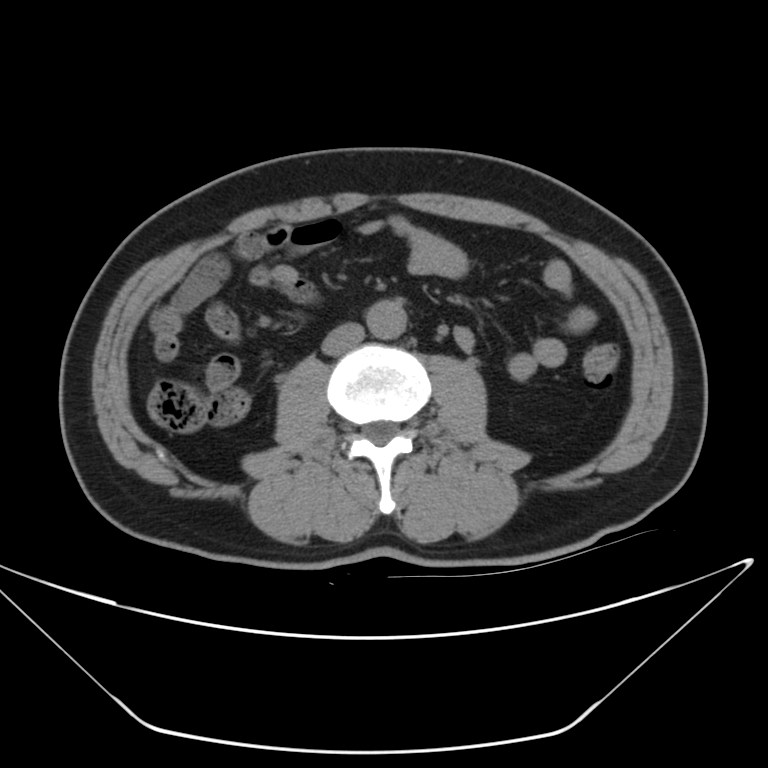

CT, abdomen/pelvis — Axial slice 61/112 — abdomen soft-tissue window — 768x768 px — 45-year-old male patient
Bounding boxes in pixels, one row per box: x1, y1 is the top-left corner and x2, y2 the bottom-right.
| organ | x1 | y1 | x2 | y2 |
|---|---|---|---|---|
| aorta | 366 | 300 | 408 | 338 |
| inferior vena cava | 321 | 326 | 362 | 353 |